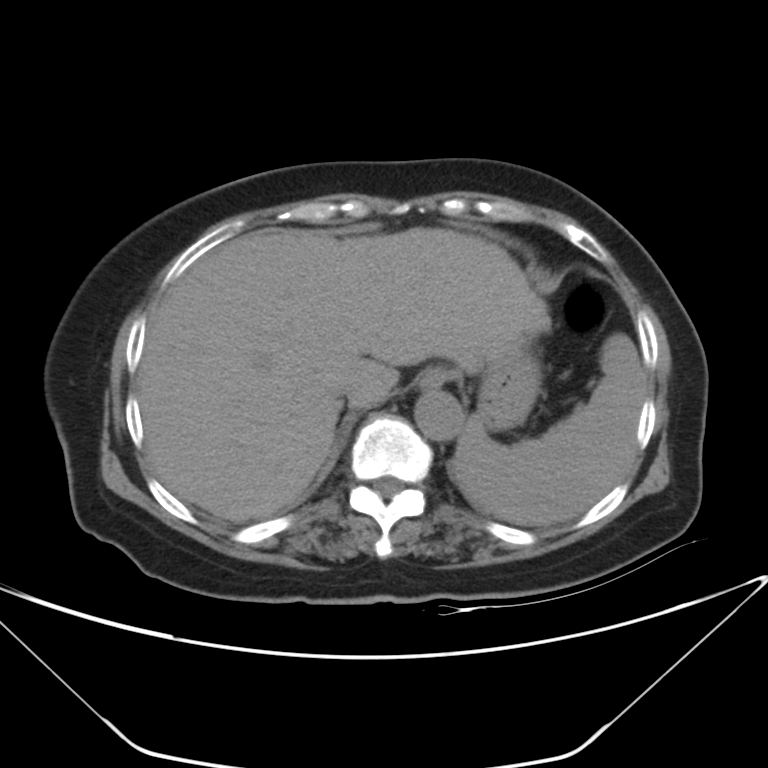
Abdominal CT. Axial slice 78/94. abdomen soft-tissue window
Coordinates as <box>x1,y1,x2,y2</box> in pixels.
spleen: <box>452,333,645,526</box>
stomach: <box>478,345,539,430</box>
esophagus: <box>419,368,447,391</box>
inferior vena cava: <box>332,384,360,405</box>
liver: <box>138,227,551,521</box>
aorta: <box>414,391,463,441</box>